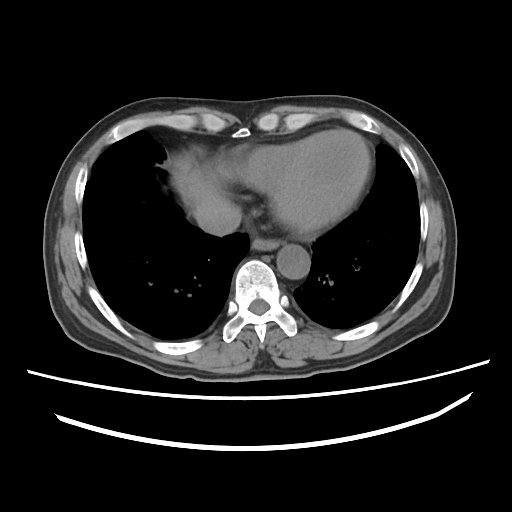 CT, abdomen/pelvis — axial plane, index 92 — 48-year-old male patient — scan has 15 labeled organs (a whole-scan count: organs this slice does not pass through have no box)
Boxes: x1:y1:x2:y2 in pixels.
Organ bounding boxes:
- esophagus: 251:237:280:250
- liver: 173:160:229:214
- aorta: 277:245:310:279
- inferior vena cava: 196:203:241:235